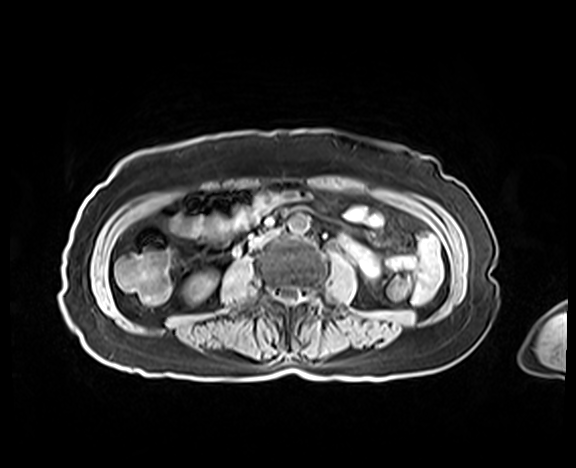

Abdominal MRI. Axial slice 7/72. percentile-normalized. Prisma scanner. scan has 12 labeled organs (a whole-scan count: organs this slice does not pass through have no box)
<organs><organ name="inferior vena cava" x1="250" y1="229" x2="278" y2="248"/><organ name="right kidney" x1="186" y1="272" x2="215" y2="302"/><organ name="aorta" x1="288" y1="213" x2="309" y2="233"/></organs>